Computed tomography, abdomen — Axial slice 24/123 — soft-tissue window (W 400 / L 40) — 512x512 px
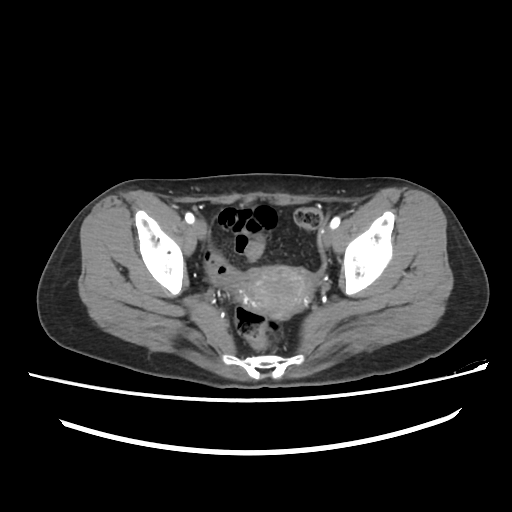

Each box given as x1,y1,x2,y2.
prostate/uterus: x1=240, y1=265, x2=313, y2=319